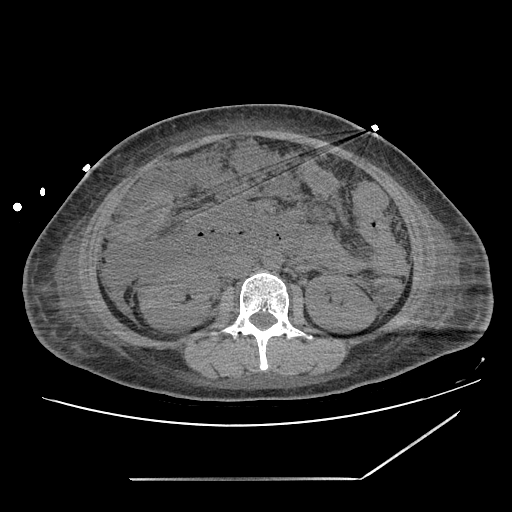
Computed tomography, abdomen — axial view
Boxes: x1 y1 x2 y2 (pixel coords, space-separated).
right kidney: 139 266 215 329
left kidney: 305 274 375 331
aorta: 263 251 282 269
inferior vena cava: 223 255 253 277